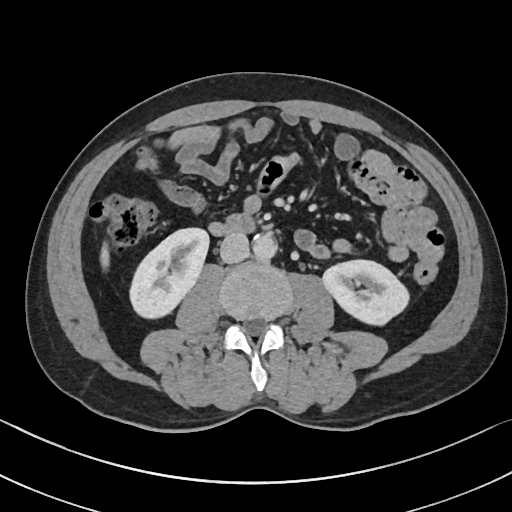 CT abdomen — axial view — 512x512 px
Coordinates as <box>x1,y1,x2,y2</box> in pixels. Labeled organs on this slice: right kidney at <box>128,228,208,320</box>, left kidney at <box>322,260,410,326</box>, liver at <box>102,240,109,269</box>, aorta at <box>253,236,277,261</box>, inferior vena cava at <box>220,233,248,263</box>, duodenum at <box>222,213,256,234</box>.